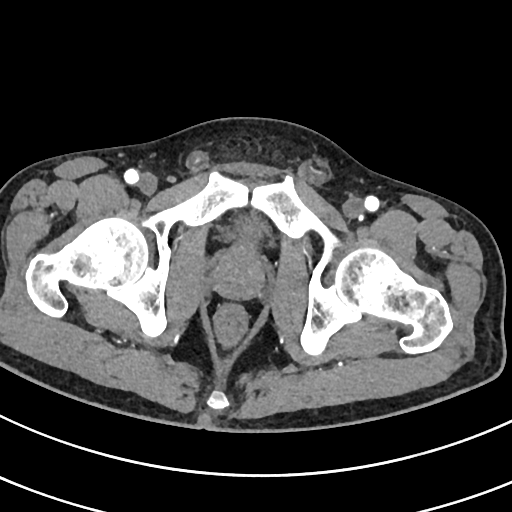

CT abdomen. axial view. 512x512 px. 15 organs annotated in this scan (a whole-scan count: organs this slice does not pass through have no box)
Coordinates as <box>x1,y1,x2,y2</box> in pixels.
Organ bounding boxes:
- bladder: <box>234,220,261,239</box>
- prostate/uterus: <box>214,245,264,299</box>